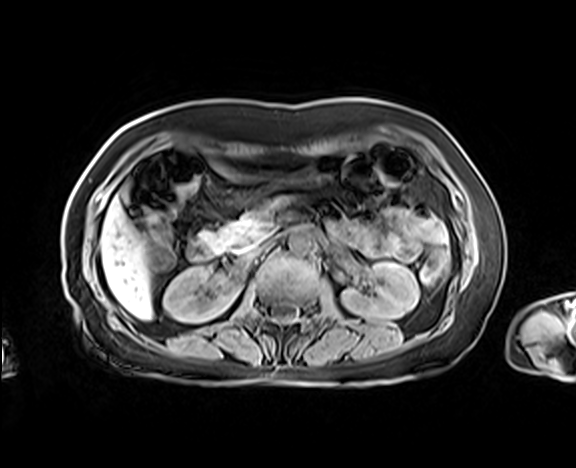
Magnetic resonance imaging, abdomen · axial view · 576x468 px · Prisma scanner · scan has 12 labeled organs (a whole-scan count: organs this slice does not pass through have no box)
Boxes: x1:y1:x2:y2 in pixels.
Organ bounding boxes:
- stomach: 258:156:339:195
- duodenum: 187:239:216:260
- aorta: 288:229:312:252
- pancreas: 199:199:282:252
- inferior vena cava: 245:241:273:258
- right kidney: 163:267:240:322
- left kidney: 342:262:418:318
- liver: 100:169:222:319